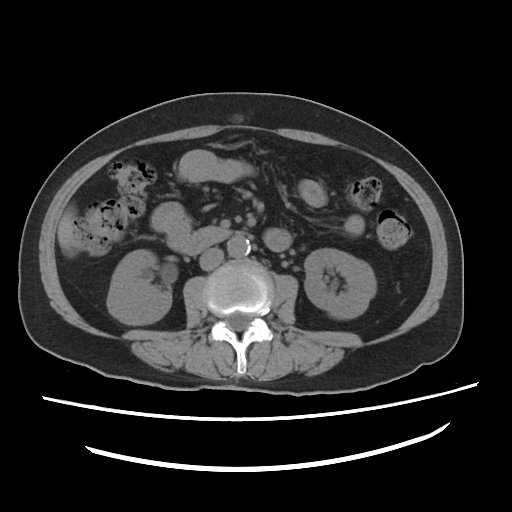
CT abdomen — axial plane, index 50 — 512x512 px — 14 organs annotated in this scan (that count is for the whole scan; organs this slice misses have no box)
<organs><organ name="right kidney" x1="107" y1="249" x2="171" y2="324"/><organ name="liver" x1="57" y1="210" x2="74" y2="249"/><organ name="duodenum" x1="180" y1="226" x2="231" y2="255"/><organ name="inferior vena cava" x1="199" y1="248" x2="223" y2="270"/><organ name="left kidney" x1="304" y1="248" x2="376" y2="318"/><organ name="aorta" x1="227" y1="235" x2="250" y2="257"/></organs>